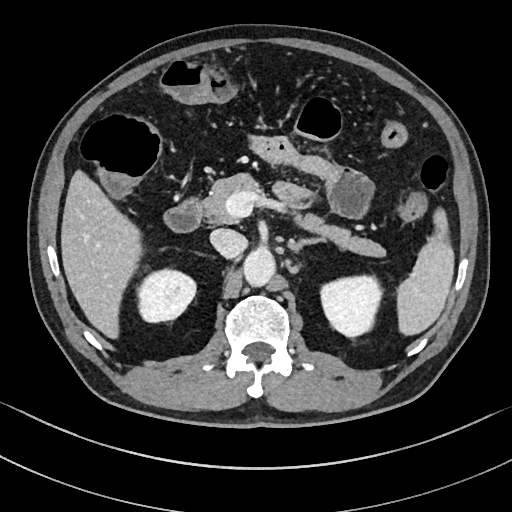
Computed tomography, abdomen; axial plane, index 157; 512x512 px
Bounding boxes as [x1, y1, x2, y2] in pixel coordinates.
spleen: [396, 206, 455, 335]
right kidney: [138, 271, 196, 322]
left kidney: [319, 275, 380, 336]
liver: [61, 168, 141, 338]
aorta: [243, 249, 275, 288]
inferior vena cava: [210, 229, 246, 258]
pancreas: [202, 172, 386, 258]
left adrenal gland: [285, 237, 327, 258]
duodenum: [165, 192, 204, 232]